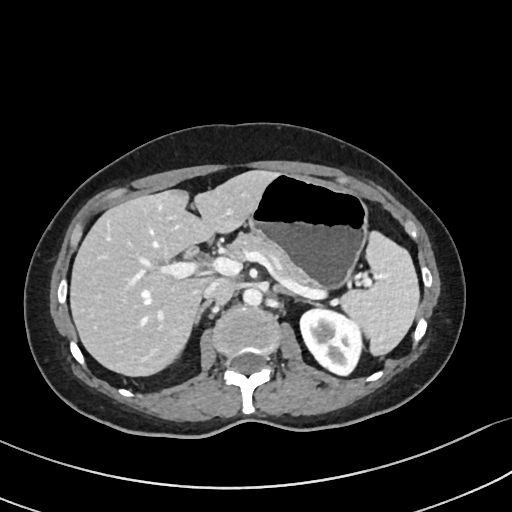 Abdominal CT; Axial slice 140/175; abdomen soft-tissue window; 15 organs annotated in this scan (a whole-scan count: organs this slice does not pass through have no box)
{"organs":{"spleen":[340,228,419,355],"left kidney":[300,307,363,375],"liver":[70,170,275,375],"stomach":[248,173,367,287],"aorta":[242,287,261,305],"inferior vena cava":[203,279,233,304],"pancreas":[226,231,320,290],"right adrenal gland":[194,302,207,326],"left adrenal gland":[274,285,293,296],"duodenum":[208,236,215,244]}}